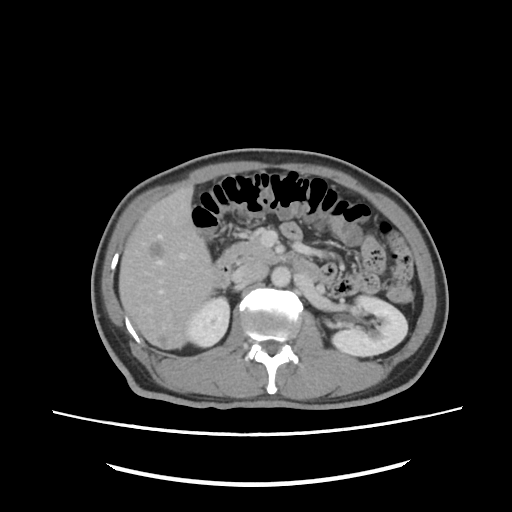 CT, abdomen/pelvis; axial view; soft-tissue window (W 400 / L 40); acquired on Aquilion ONE; 15 organs annotated in this scan (counted over the whole 3D scan, not this slice; an organ is boxed only where this slice passes through it)
Boxes: x1:y1:x2:y2 in pixels. Labeled organs on this slice: right kidney at 186:297:229:347, left kidney at 332:295:407:356, liver at 118:185:215:349, aorta at 271:266:290:287, inferior vena cava at 232:262:268:284, pancreas at 226:235:276:262, duodenum at 213:252:322:287.